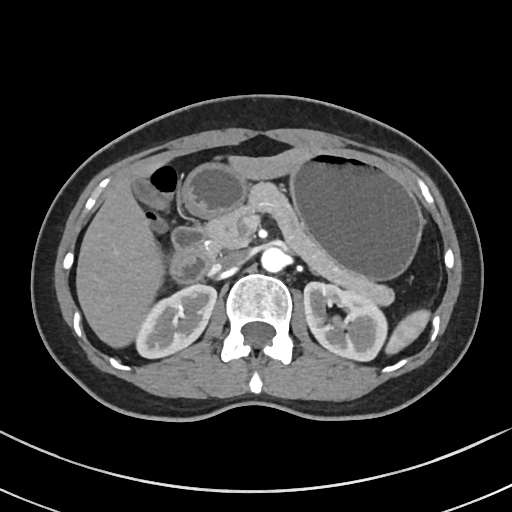

CT, abdomen/pelvis · Axial slice 171/242 · soft-tissue window (W 400 / L 40) · 15 organs annotated in this scan (counted over the whole 3D scan, not this slice; an organ is boxed only where this slice passes through it)
Boxes are (x1, y1, x2, y2) in pixels. Labeled organs on this slice: spleen at (385, 309, 430, 354), stomach at (182, 150, 423, 279), inferior vena cava at (214, 252, 244, 271), liver at (76, 146, 317, 347), aorta at (261, 247, 287, 272), left kidney at (303, 282, 386, 360), duodenum at (169, 226, 214, 282), pancreas at (204, 183, 394, 305), right kidney at (135, 284, 216, 358), gall bladder at (132, 178, 158, 205).